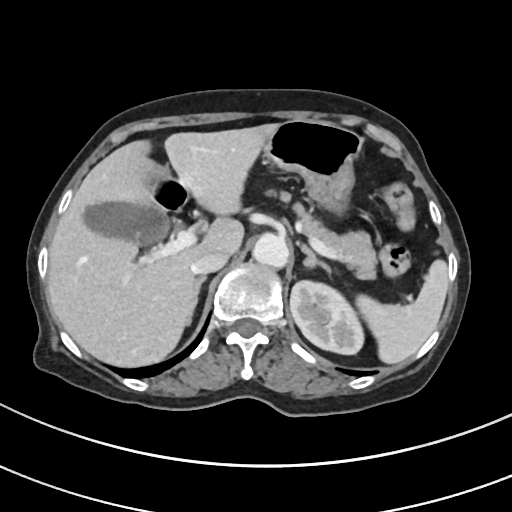

CT abdomen. Axial slice 157/284. 512x512 px
Boxes: x1:y1:x2:y2 in pixels.
Organ bounding boxes:
- spleen: 356:261:448:363
- left kidney: 291:278:363:354
- gall bladder: 82:199:169:247
- liver: 46:124:275:368
- stomach: 261:120:361:208
- aorta: 252:232:287:267
- inferior vena cava: 190:250:229:273
- pancreas: 280:191:375:278
- right adrenal gland: 183:275:206:322
- left adrenal gland: 298:242:331:272
- duodenum: 152:178:189:212